CT, abdomen/pelvis — Axial slice 215/244 — scan has 15 labeled organs (counted over the whole 3D scan, not this slice; an organ is boxed only where this slice passes through it)
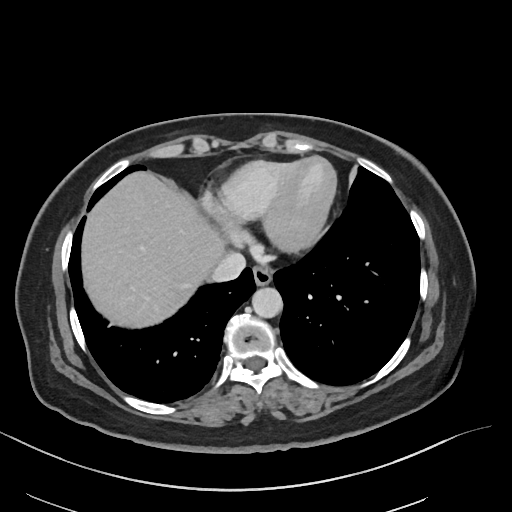

{"organs":{"esophagus":[252,269,271,286],"liver":[83,173,223,327],"aorta":[252,288,282,318],"inferior vena cava":[210,252,245,281]}}